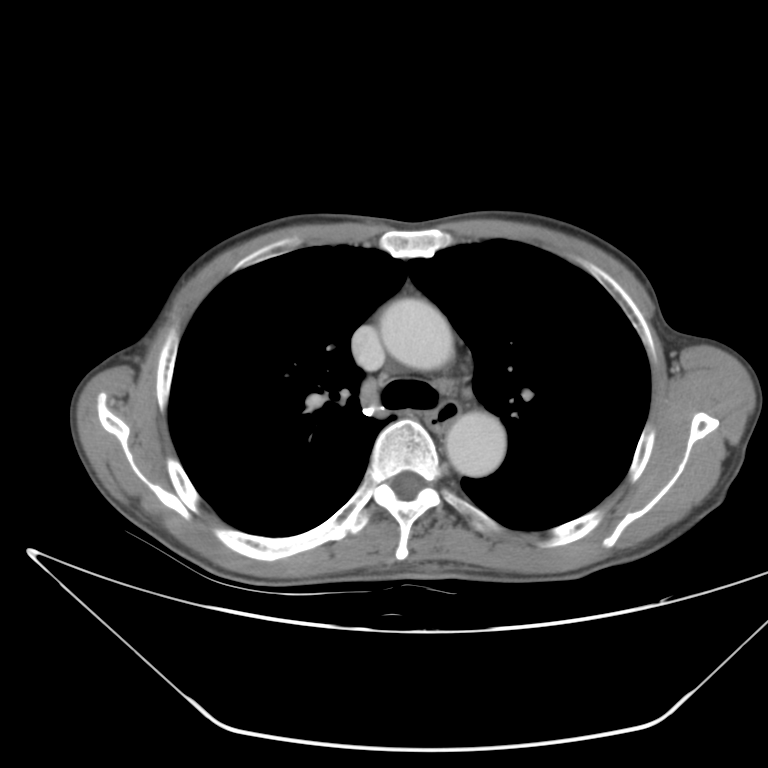

Chest-level slice from an abdominal CT that extends up into the chest; axial view; acquired on Brilliance16
At this level of the chest this dataset labels only the esophagus and the aorta, and each is boxed only where it is labeled; the heart and lungs are never labeled.
Boxes are (x1, y1, x2, y2) in pixels.
Organ bounding boxes:
- esophagus: (425, 400, 460, 433)
- aorta: (376, 299, 454, 371)
- aorta: (445, 409, 503, 477)